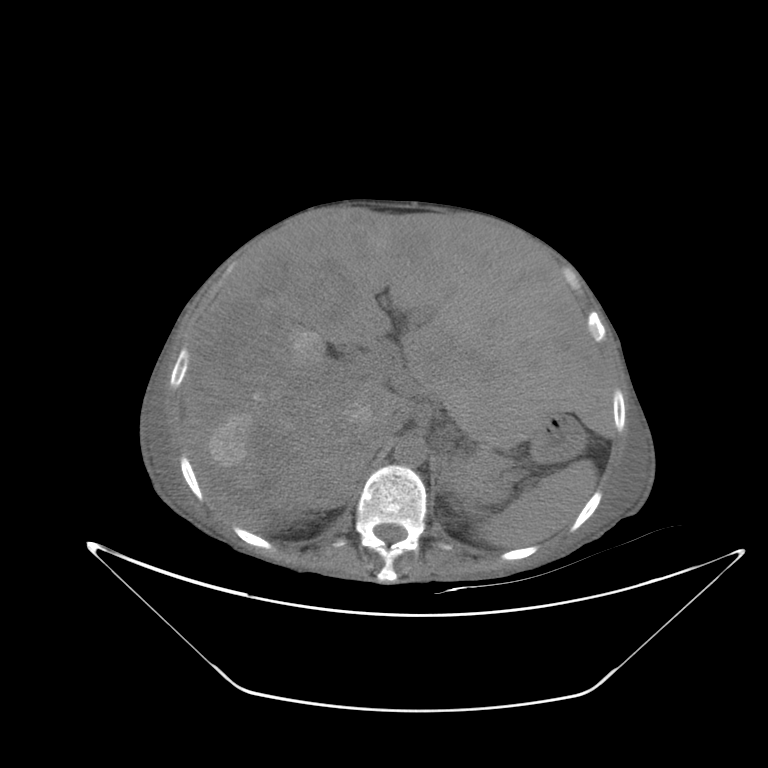

Abdominal CT · Axial slice 75/108 · soft-tissue window · 768x768 px · 56-year-old male patient
Box edges are left/top/right/bottom in pixels. The annotated organs in this slice are: spleen at left=478, top=460, right=596, bottom=547, liver at left=182, top=211, right=610, bottom=531, stomach at left=534, top=417, right=583, bottom=461, aorta at left=394, top=435, right=426, bottom=466, inferior vena cava at left=364, top=413, right=403, bottom=452, pancreas at left=449, top=448, right=513, bottom=498, left adrenal gland at left=431, top=454, right=447, bottom=497.